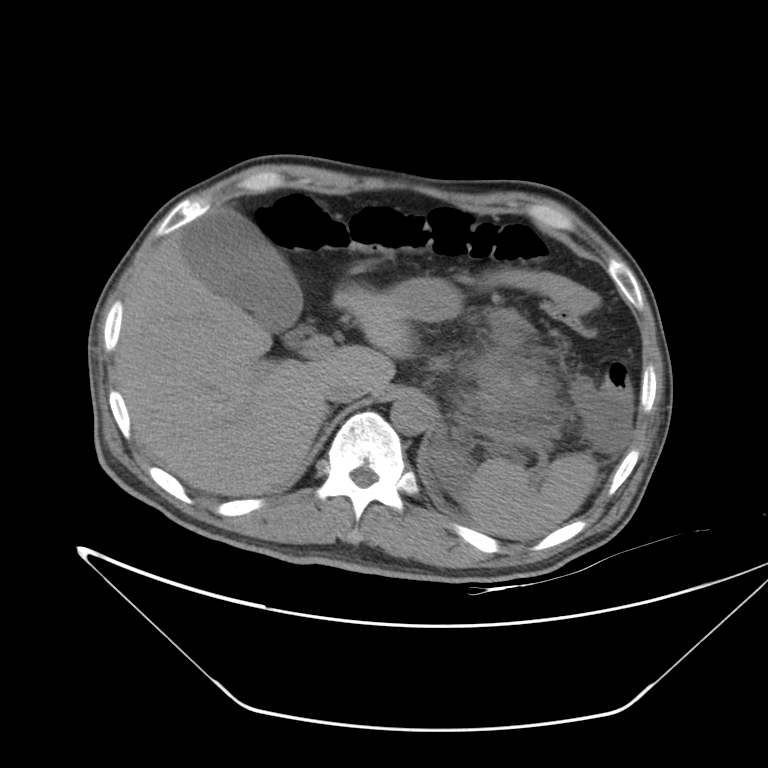
Abdominal CT — axial view — W/L 400/40 HU — 768x768 px — 15 organs annotated in this scan (that count is for the whole scan; organs this slice misses have no box)
Coordinates as <box>x1,y1,x2,y2</box> in pixels.
Organ bounding boxes:
- aorta: <box>390,395,433,435</box>
- spleen: <box>464,453,597,540</box>
- stomach: <box>385,277,522,348</box>
- pancreas: <box>479,359,544,408</box>
- inferior vena cava: <box>324,379,364,402</box>
- liver: <box>115,221,414,495</box>
- gall bladder: <box>182,210,302,345</box>